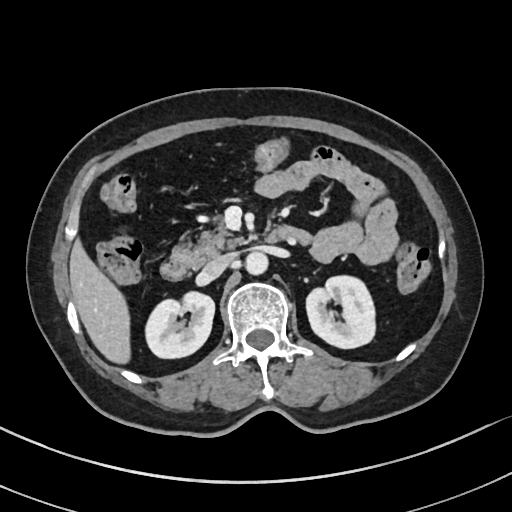
Abdominal CT. axial view. abdomen soft-tissue window. 512x512 px. SOMATOM Force scanner
One row per box, in pixels: columns x1 and y1 give the top-left corner, x2 and y2 the bottom-right.
| organ | x1 | y1 | x2 | y2 |
|---|---|---|---|---|
| inferior vena cava | 199 | 253 | 233 | 281 |
| pancreas | 171 | 214 | 240 | 268 |
| duodenum | 160 | 225 | 313 | 280 |
| aorta | 244 | 252 | 268 | 276 |
| left kidney | 305 | 275 | 375 | 348 |
| right kidney | 147 | 290 | 214 | 358 |
| liver | 68 | 235 | 128 | 363 |